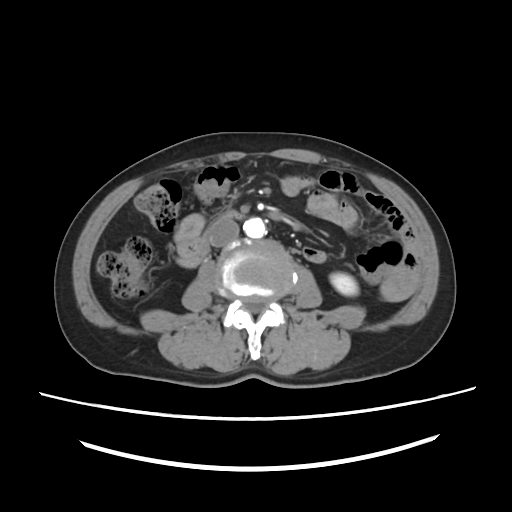

CT abdomen; Axial slice 53/134
Box edges are left/top/right/bottom in pixels. The annotated organs in this slice are: duodenum at left=179, top=212, right=239, bottom=266, aorta at left=243, top=217, right=266, bottom=238, inferior vena cava at left=207, top=219, right=239, bottom=247, left kidney at left=330, top=272, right=358, bottom=295.